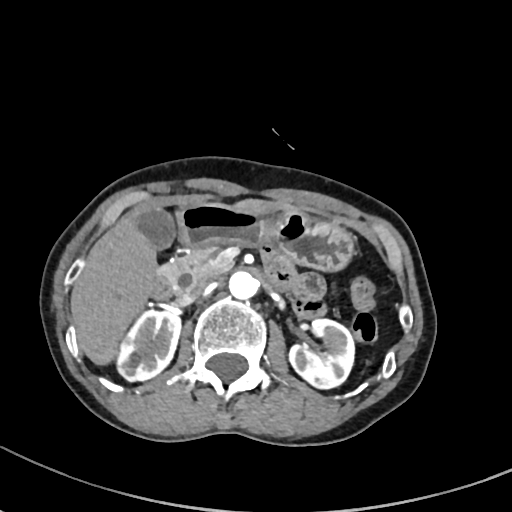 Abdominal CT; axial view; soft-tissue window (W 400 / L 40); acquired on SOMATOM Force; 15 organs annotated in this scan (that count is for the whole scan; organs this slice misses have no box)
<organs><organ name="liver" x1="73" y1="199" x2="291" y2="362"/><organ name="left kidney" x1="289" y1="318" x2="354" y2="390"/><organ name="right kidney" x1="115" y1="309" x2="181" y2="381"/><organ name="aorta" x1="228" y1="269" x2="257" y2="299"/><organ name="inferior vena cava" x1="183" y1="275" x2="217" y2="300"/><organ name="duodenum" x1="152" y1="260" x2="294" y2="298"/><organ name="gall bladder" x1="138" y1="209" x2="177" y2="251"/><organ name="pancreas" x1="156" y1="247" x2="230" y2="294"/><organ name="stomach" x1="177" y1="201" x2="352" y2="268"/></organs>